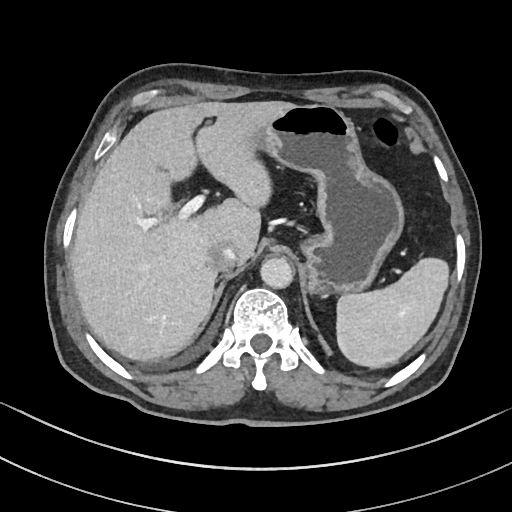
CT, abdomen/pelvis; axial view; 14 organs annotated in this scan (that count is for the whole scan; organs this slice misses have no box)
One row per box, in pixels: columns x1 and y1 give the top-left corner, x2 and y2 the bottom-right.
| organ | x1 | y1 | x2 | y2 |
|---|---|---|---|---|
| spleen | 335 | 259 | 447 | 367 |
| liver | 71 | 101 | 296 | 359 |
| stomach | 254 | 105 | 405 | 296 |
| aorta | 260 | 258 | 294 | 289 |
| inferior vena cava | 207 | 241 | 237 | 272 |